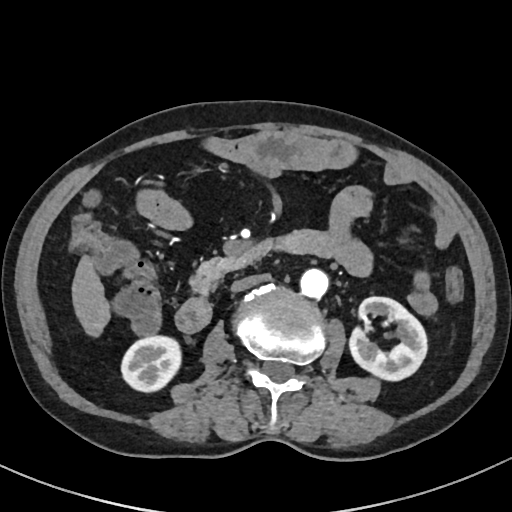
Computed tomography, abdomen. axial view. 512x512 px. 15 organs annotated in this scan (that count is for the whole scan; organs this slice misses have no box)
{"organs":{"right kidney":[123,335,180,392],"left kidney":[350,296,428,380],"liver":[72,257,108,334],"aorta":[300,267,328,297],"inferior vena cava":[230,273,269,291],"pancreas":[189,255,237,294],"duodenum":[176,230,327,333]}}